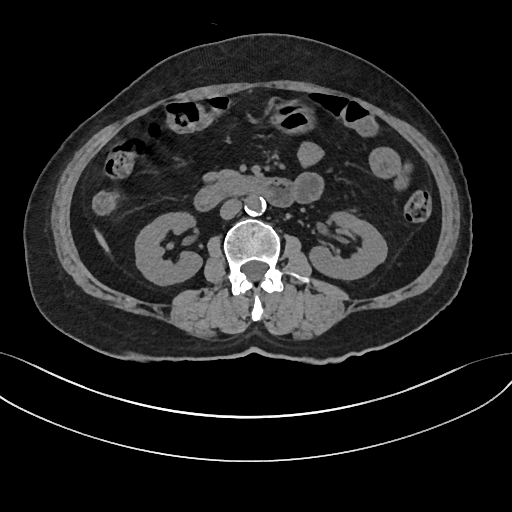 Abdominal CT. axial view. soft-tissue window (W 400 / L 40)
Organ boxes in pixel coordinates; each row gives the top-left (x1, y1) and bottom-right (x2, y2) corners.
| organ | x1 | y1 | x2 | y2 |
|---|---|---|---|---|
| right kidney | 135 | 212 | 202 | 285 |
| left kidney | 309 | 212 | 387 | 280 |
| liver | 95 | 230 | 107 | 250 |
| stomach | 270 | 99 | 312 | 133 |
| aorta | 245 | 195 | 266 | 215 |
| inferior vena cava | 220 | 199 | 241 | 219 |
| pancreas | 204 | 171 | 233 | 181 |
| duodenum | 194 | 174 | 294 | 211 |